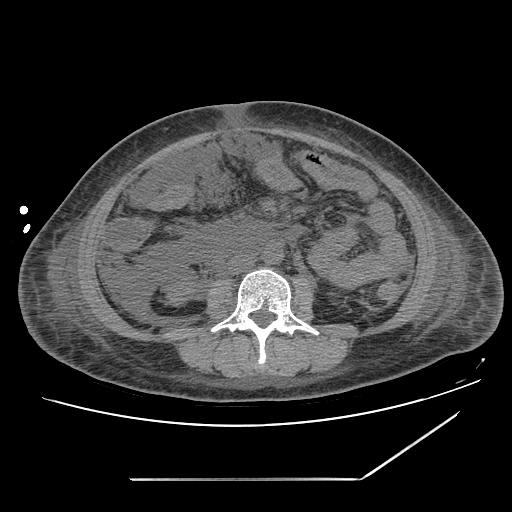 Computed tomography, abdomen · axial view · 512x512 px
<organs><organ name="right kidney" x1="166" y1="279" x2="195" y2="305"/><organ name="left kidney" x1="328" y1="291" x2="345" y2="307"/><organ name="aorta" x1="262" y1="245" x2="283" y2="264"/><organ name="inferior vena cava" x1="228" y1="254" x2="254" y2="274"/></organs>